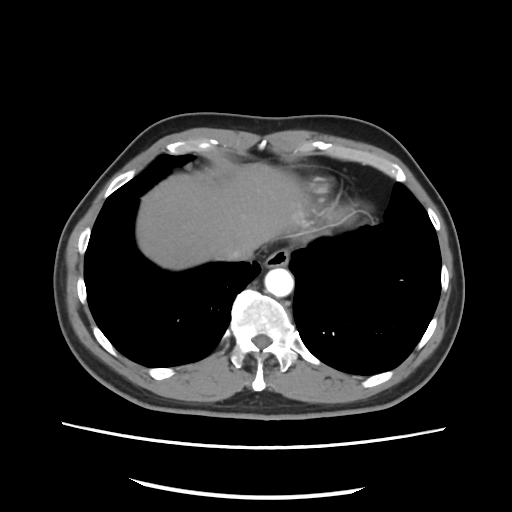 Computed tomography, abdomen. axial view. W/L 400/40 HU. acquired on Aquilion ONE
{"organs":{"esophagus":[264,248,288,268],"liver":[136,161,311,270],"aorta":[264,267,294,297],"inferior vena cava":[220,243,257,260]}}